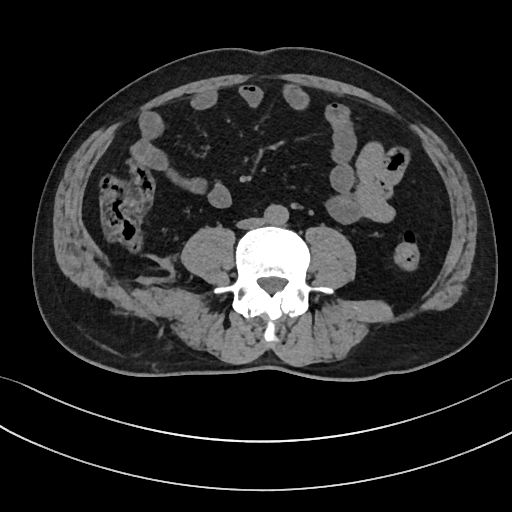

CT abdomen · axial plane, index 104 · W/L 400/40 HU · 512x512 px
Each box given as x1,y1,x2,y2.
Organ bounding boxes:
- aorta: x1=264, y1=204, x2=288, y2=225
- inferior vena cava: x1=237, y1=218, x2=263, y2=228